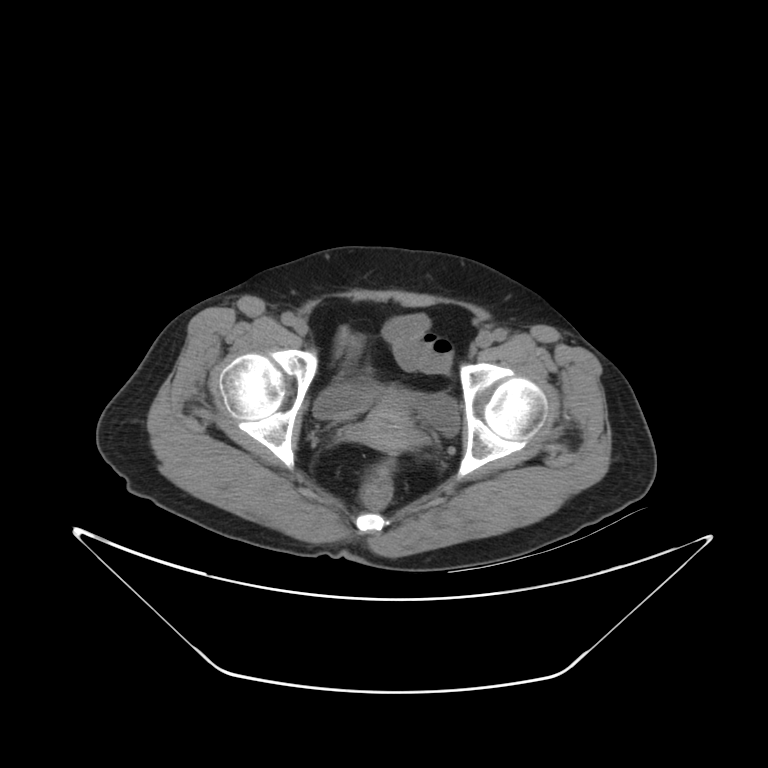

Computed tomography, abdomen. axial plane, index 13. scan has 15 labeled organs (counted over the whole 3D scan, not this slice; an organ is boxed only where this slice passes through it)
{"organs":{"bladder":[313,385,460,437],"prostate/uterus":[346,385,423,451]}}